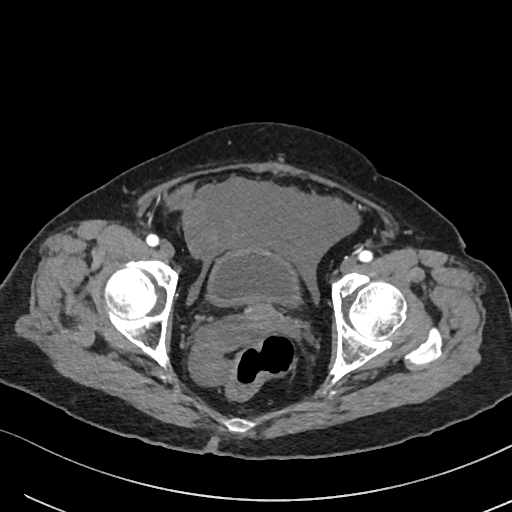 CT abdomen; Axial slice 44/297; 512x512 px
Boxes: x1 y1 x2 y2 (pixel coords, space-separated). The annotated organs in this slice are: bladder at 208 249 299 304, prostate/uterus at 243 304 283 330.